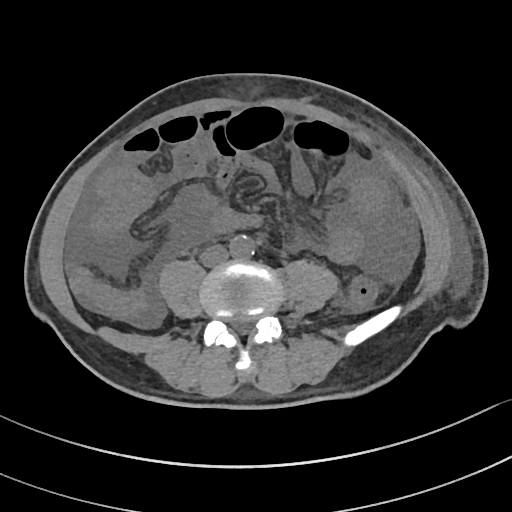

CT abdomen — axial view — W/L 400/40 HU — SOMATOM Force scanner
Boxes are (x1, y1, x2, y2) in pixels. The annotated organs in this slice are: aorta at (230, 235, 254, 258), inferior vena cava at (201, 245, 228, 266).